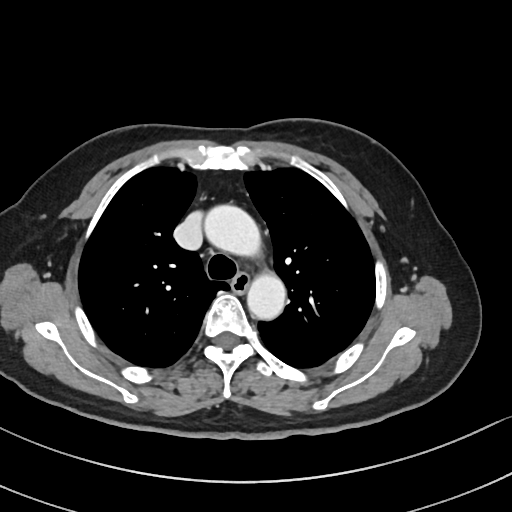 Abdominal CT reaching into the chest; this slice is in the chest. axial plane, index 274
At this level of the chest this dataset labels only the esophagus and the aorta, and each is boxed only where it is labeled; the heart and lungs are never labeled.
Coordinates as <box>x1,y1,x2,y2</box> in pixels.
Organ bounding boxes:
- aorta: <box>206,206,265,256</box>
- aorta: <box>247,269,286,318</box>
- esophagus: <box>232,274,248,292</box>